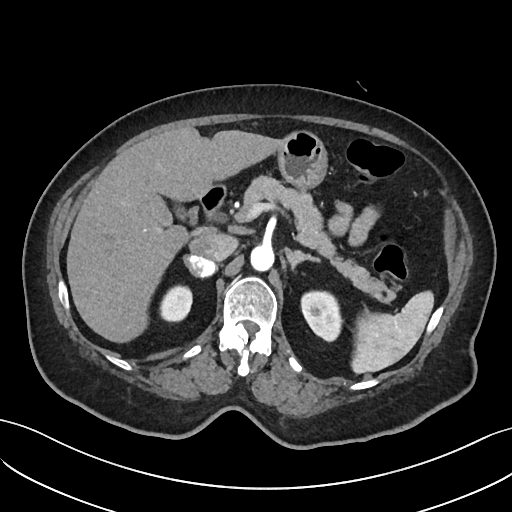

CT, abdomen/pelvis — axial view — soft-tissue window — 512x512 px
Coordinates as <box>x1,y1,x2,y2</box> in pixels.
liver: <box>67,126,280,341</box>
left adrenal gland: <box>286,249,320,271</box>
left kidney: <box>300,291,340,341</box>
duodenum: <box>198,184,227,220</box>
inferior vena cava: <box>189,231,238,260</box>
stomach: <box>276,130,327,189</box>
aorta: <box>250,244,274,269</box>
right kidney: <box>159,287,192,322</box>
spleen: <box>352,291,433,374</box>
right adrenal gland: <box>183,256,215,278</box>
gall bladder: <box>176,205,199,225</box>
pancreas: <box>241,175,393,301</box>